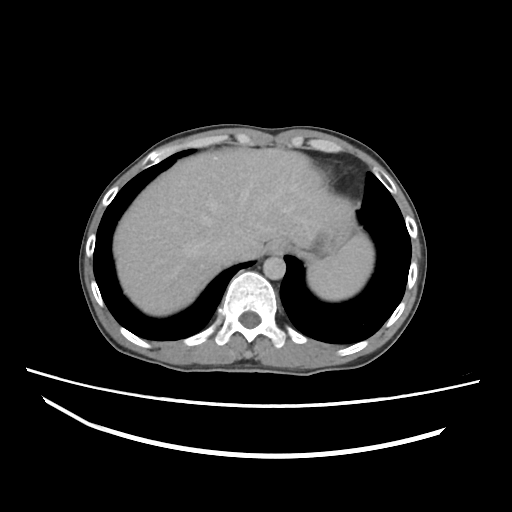
Abdominal CT; axial view; soft-tissue window
Box edges are left/top/right/bottom in pixels.
Organ bounding boxes:
- spleen: left=306, top=232, right=374, bottom=300
- esophagus: left=265, top=239, right=289, bottom=256
- liver: left=113, top=148, right=352, bottom=316
- stomach: left=289, top=221, right=352, bottom=259
- aorta: left=262, top=257, right=284, bottom=279
- inferior vena cava: left=209, top=236, right=238, bottom=260